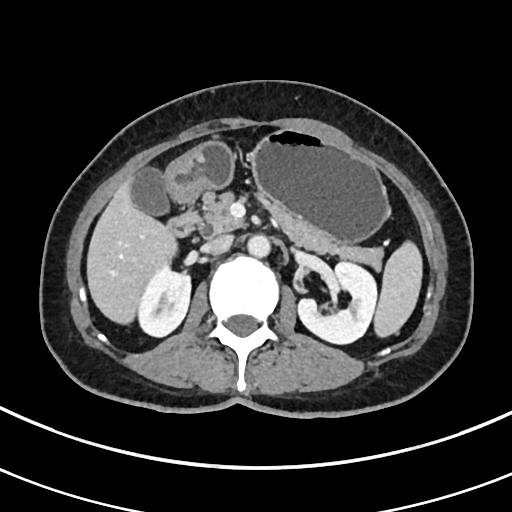
Abdominal CT; Axial slice 131/192; abdomen soft-tissue window
Boxes: x1:y1:x2:y2 in pixels.
Organ bounding boxes:
- duodenum: 167:210:199:237
- aorta: 247:234:270:257
- pancreas: 200:192:383:270
- liver: 86:176:177:324
- right kidney: 138:264:190:337
- gall bladder: 132:168:169:215
- stomach: 164:129:389:243
- spleen: 374:241:422:337
- inferior vena cava: 202:235:232:254
- left kidney: 297:262:376:343